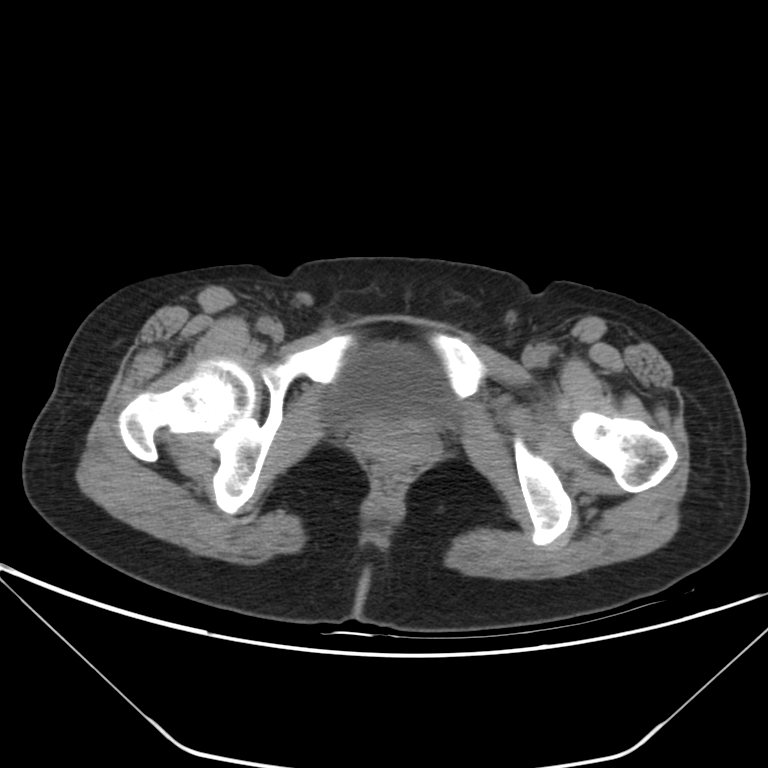
CT abdomen; axial view; soft-tissue window; 768x768 px
Boxes: x1:y1:x2:y2 in pixels.
Organ bounding boxes:
- bladder: 323:343:454:425